CT, abdomen/pelvis. axial view. soft-tissue window. 512x512 px. SOMATOM Force scanner
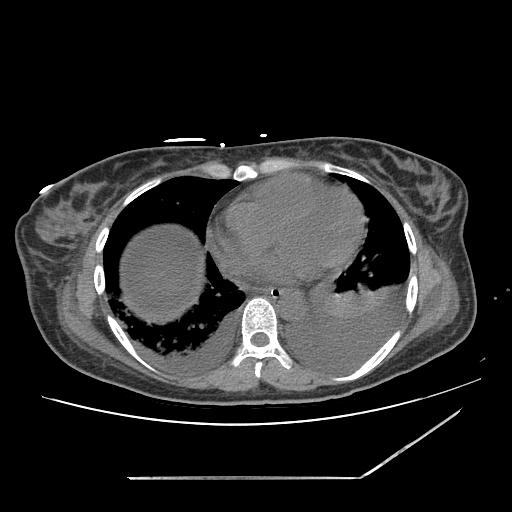

Boxes are (x1, y1, x2, y2) in pixels.
Organ bounding boxes:
- esophagus: (262, 289, 291, 298)
- liver: (138, 250, 187, 300)
- aorta: (277, 293, 305, 320)
- stomach: (279, 292, 293, 299)